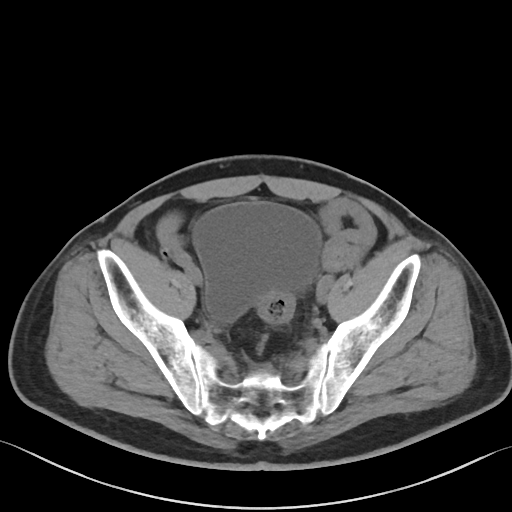

Abdominal CT · axial view · W/L 400/40 HU · 512x512 px
Boxes: x1 y1 x2 y2 (pixel coords, space-separated).
bladder: 193 202 320 321